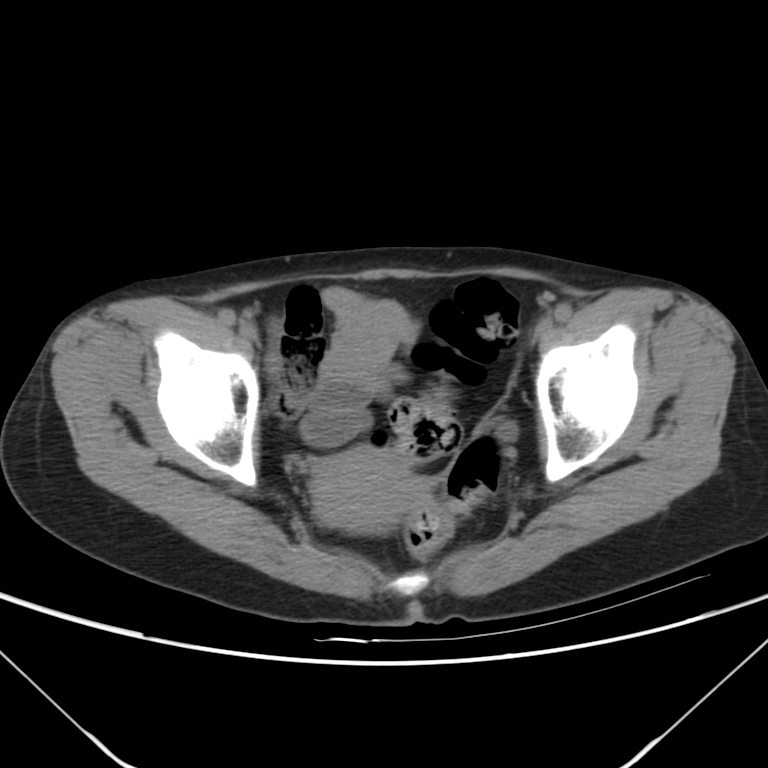

Computed tomography, abdomen. axial view. soft-tissue window. 768x768 px
Each box given as x1,y1,x2,y2.
prostate/uterus: x1=312, y1=445, x2=423, y2=531